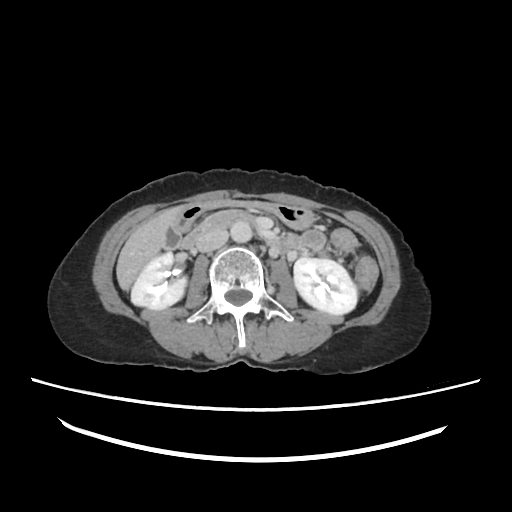
CT abdomen; Axial slice 51/82; soft-tissue window (W 400 / L 40); 512x512 px; 15 organs annotated in this scan (a whole-scan count: organs this slice does not pass through have no box)
Bounding boxes as [x1, y1, x2, y2] in pixel coordinates.
gall bladder: [161, 224, 180, 250]
liver: [117, 207, 180, 289]
left kidney: [292, 257, 357, 315]
right kidney: [130, 252, 187, 310]
aorta: [230, 222, 252, 243]
duodenum: [181, 209, 302, 250]
stomach: [173, 198, 314, 233]
inferior vena cava: [195, 229, 227, 251]